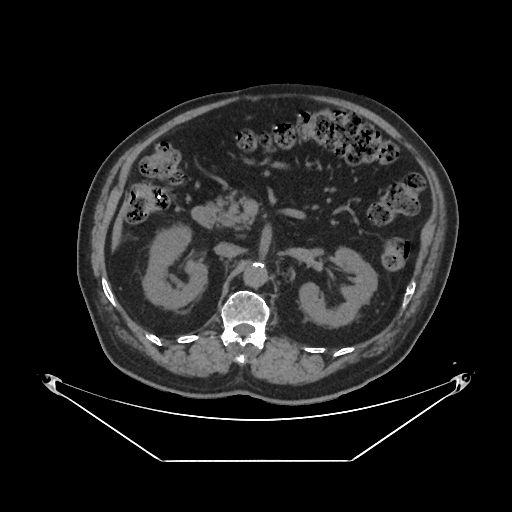
CT, abdomen/pelvis · axial view · 512x512 px
Box edges are left/top/right/bottom in pixels.
left kidney: left=300, top=246, right=377, bottom=326
aorta: left=244, top=262, right=267, bottom=286
right kidney: left=145, top=226, right=206, bottom=307
pancreas: left=215, top=196, right=252, bottom=228
inferior vena cava: left=214, top=243, right=240, bottom=257
duodenum: left=192, top=204, right=215, bottom=226
liver: left=113, top=216, right=120, bottom=244